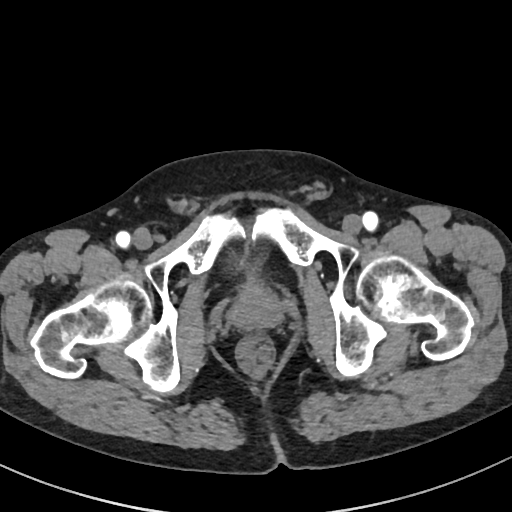 Computed tomography, abdomen · axial view · W/L 400/40 HU
Box edges are left/top/right/bottom in pixels.
Organ bounding boxes:
- bladder: left=241, top=259, right=259, bottom=274
- prostate/uterus: left=227, top=287, right=283, bottom=330